Abdominal CT · axial view · soft-tissue window (W 400 / L 40) · 512x512 px
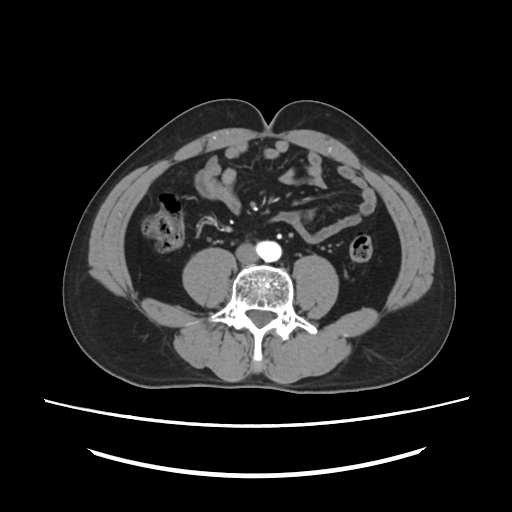
Coordinates as <box>x1,y1,x2,y2</box> in pixels. The annotated organs in this slice are: aorta at <box>256,241,281,261</box>, inferior vena cava at <box>236,244,258,263</box>.